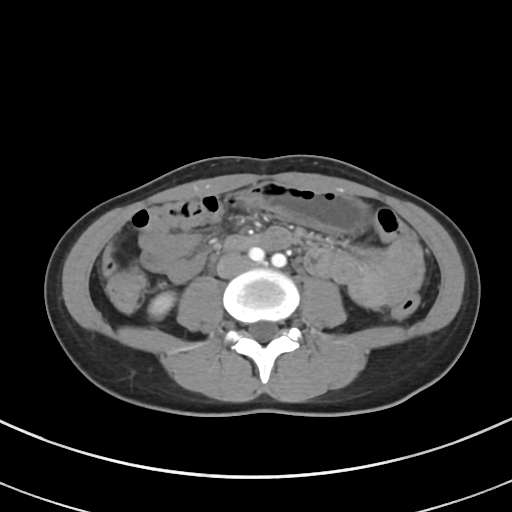

Computed tomography, abdomen. axial view. W/L 400/40 HU. 512x512 px. SOMATOM Force scanner
One row per box, in pixels: columns x1 and y1 give the top-left corner, x2 and y2 the bottom-right.
| organ | x1 | y1 | x2 | y2 |
|---|---|---|---|---|
| right kidney | 149 | 292 | 175 | 318 |
| stomach | 243 | 182 | 366 | 231 |
| inferior vena cava | 217 | 253 | 250 | 277 |
| liver | 103 | 246 | 112 | 262 |